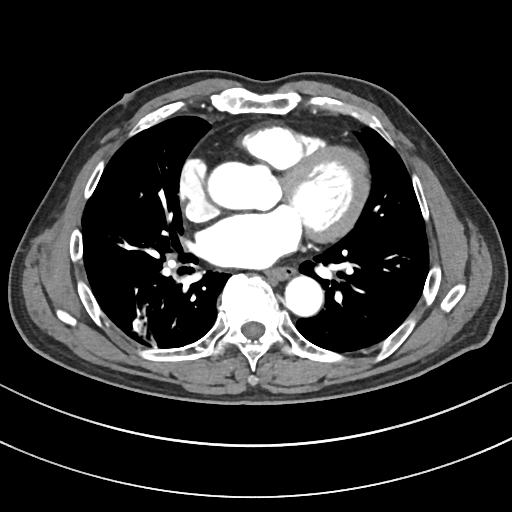 Lower-chest slice from an abdominal CT, just above the liver and spleen; axial view; 512x512 px; scan has 15 labeled organs (that count is for the whole scan; organs this slice misses have no box)
The heart and lungs are never labeled in this dataset, so they have no box on this slice.
Boxes are (x1, y1, x2, y2) in pixels.
esophagus: (269, 270, 293, 281)
aorta: (207, 161, 260, 209)
aorta: (285, 277, 323, 317)